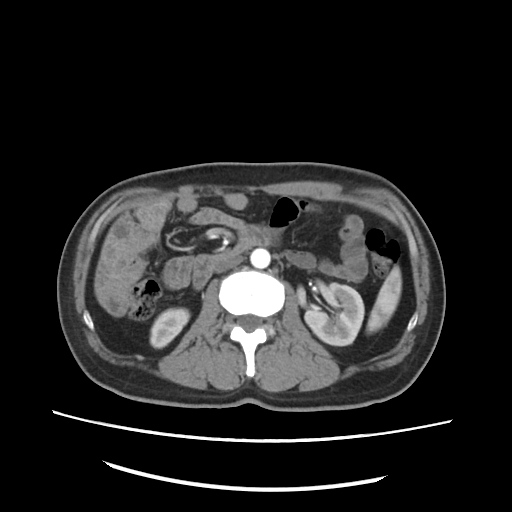
Computed tomography, abdomen · Axial slice 61/98 · abdomen soft-tissue window · 512x512 px · scan has 15 labeled organs (a whole-scan count: organs this slice does not pass through have no box)
Each box given as x1,y1,x2,y2. 6 labeled organs on this slice — spleen at x1=367, y1=269, x2=399, y2=332; right kidney at x1=149, y1=308, x2=190, y2=349; left kidney at x1=305, y1=284, x2=364, y2=345; aorta at x1=251, y1=248, x2=270, y2=268; inferior vena cava at x1=217, y1=254, x2=244, y2=272; duodenum at x1=191, y1=226, x2=276, y2=288.